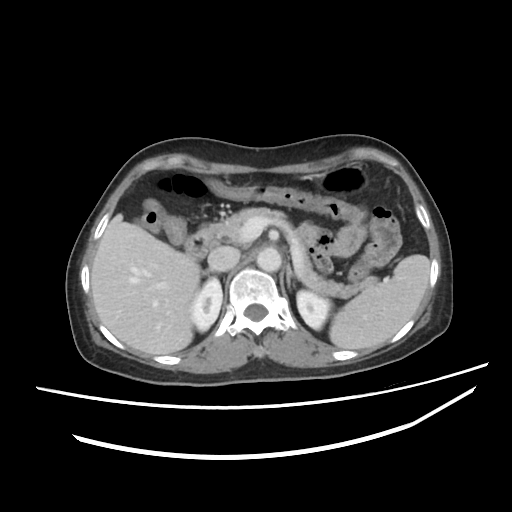 Abdominal CT. axial view. soft-tissue window. 512x512 px
Each box given as x1,y1,x2,y2.
Organ bounding boxes:
- spleen: x1=329, y1=254, x2=430, y2=349
- right kidney: x1=191, y1=277, x2=222, y2=332
- left kidney: x1=296, y1=290, x2=331, y2=329
- liver: x1=91, y1=214, x2=201, y2=354
- stomach: x1=318, y1=166, x2=366, y2=194
- aorta: x1=256, y1=247, x2=281, y2=271
- inferior vena cava: x1=208, y1=246, x2=239, y2=271
- pancreas: x1=218, y1=207, x2=375, y2=298
- right adrenal gland: x1=204, y1=269, x2=213, y2=274
- left adrenal gland: x1=286, y1=263, x2=295, y2=289
- duodenum: x1=183, y1=223, x2=219, y2=259